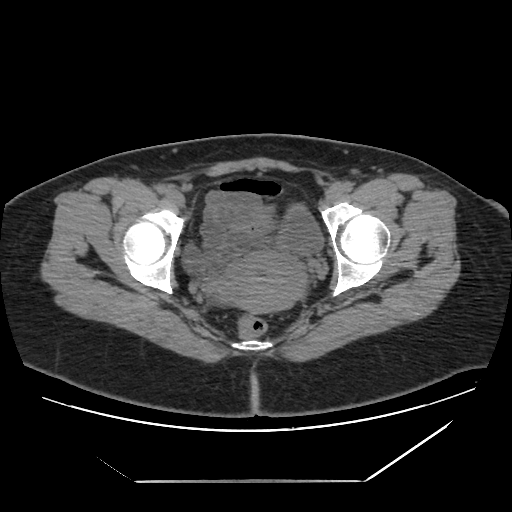 Abdominal CT. axial view. W/L 400/40 HU. 512x512 px. SOMATOM Force scanner
Each box given as x1,y1,x2,y2.
Organ bounding boxes:
- bladder: x1=184, y1=205, x2=323, y2=270
- prostate/uterus: x1=218, y1=251, x2=304, y2=313